Computed tomography, abdomen. axial plane, index 224. soft-tissue window. scan has 15 labeled organs (counted over the whole 3D scan, not this slice; an organ is boxed only where this slice passes through it)
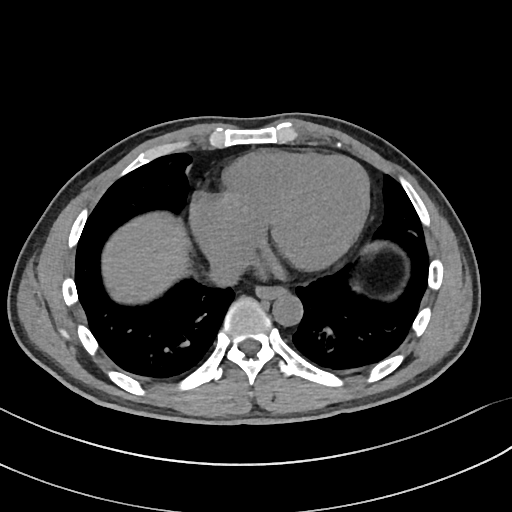
Boxes: x1:y1:x2:y2 in pixels.
inferior vena cava: 209:250:250:285
liver: 102:211:190:304
aorta: 272:292:302:325
esophagus: 255:286:285:299